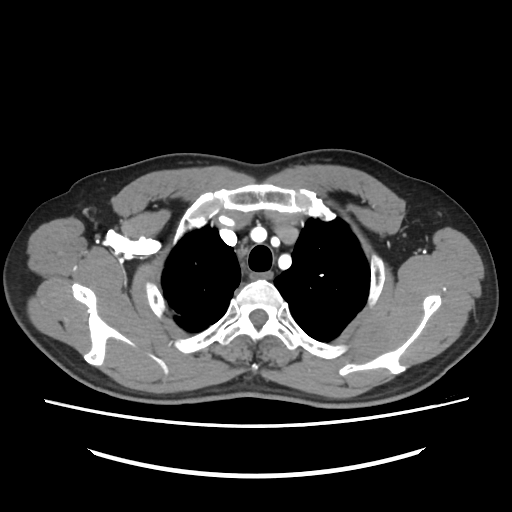
Chest-level CT slice, above the liver and spleen; axial view; 15 organs annotated in this scan (a whole-scan count: organs this slice does not pass through have no box)
On a slice this high in the chest, this dataset labels only the esophagus and the aorta, and each is boxed only where it is labeled; the heart, lungs and other chest structures are not labeled.
Each box given as x1,y1,x2,y2.
Organ bounding boxes:
- esophagus: x1=250, y1=271, x2=272, y2=279